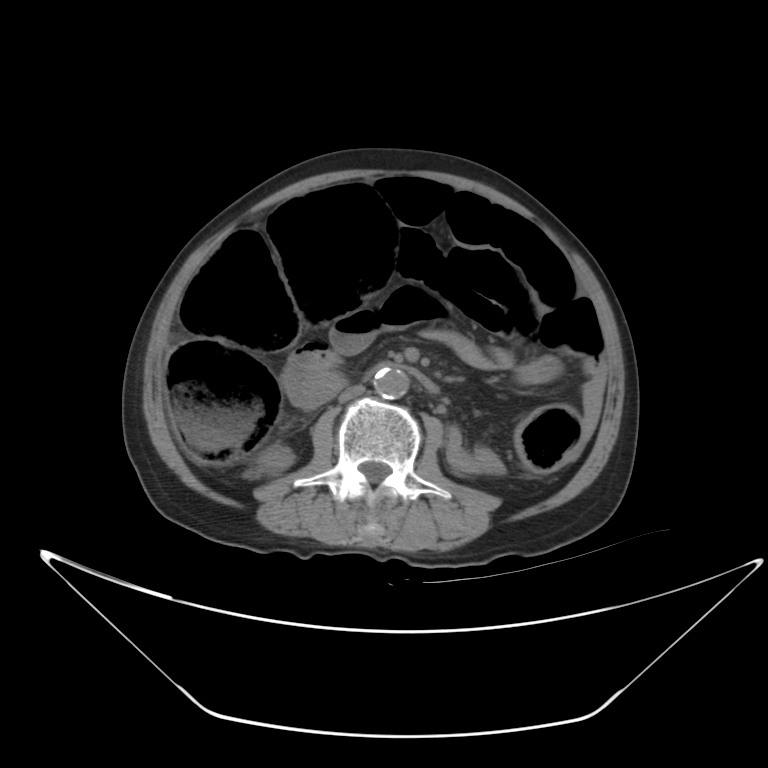

CT, abdomen/pelvis. axial view. soft-tissue window. acquired on Brilliance16
{"organs":{"right kidney":[256,445,294,475],"aorta":[373,368,409,399],"inferior vena cava":[338,385,365,402],"duodenum":[410,370,436,391]}}